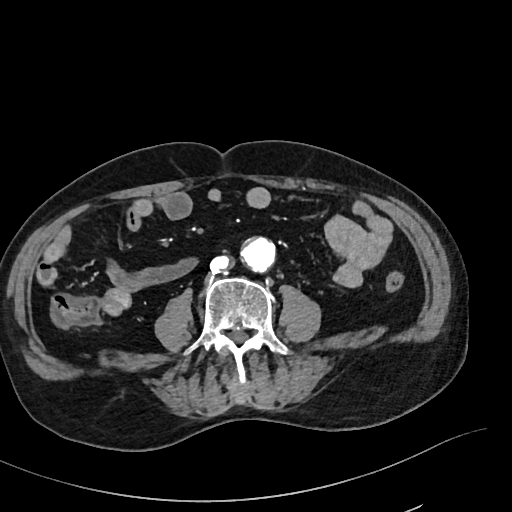
CT abdomen — axial view
{"organs":{"aorta":[240,237,276,272],"inferior vena cava":[209,255,228,272]}}